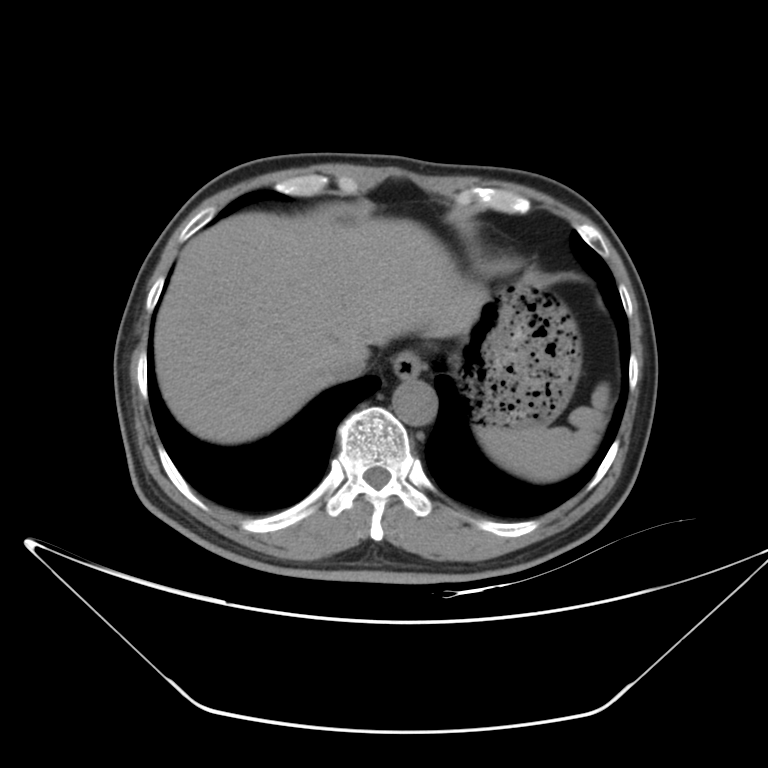
Computed tomography, abdomen · axial plane, index 81 · soft-tissue window (W 400 / L 40) · 768x768 px · Brilliance16 scanner
<organs><organ name="spleen" x1="476" y1="383" x2="610" y2="482"/><organ name="esophagus" x1="393" y1="351" x2="421" y2="379"/><organ name="liver" x1="154" y1="213" x2="489" y2="444"/><organ name="stomach" x1="451" y1="279" x2="581" y2="427"/><organ name="aorta" x1="393" y1="378" x2="437" y2="426"/><organ name="inferior vena cava" x1="330" y1="353" x2="367" y2="379"/></organs>